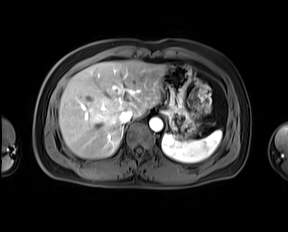 Abdominal MRI — axial view — 1st–99th percentile window — 288x232 px — Prisma scanner
<organs><organ name="spleen" x1="161" y1="130" x2="221" y2="162"/><organ name="liver" x1="59" y1="60" x2="167" y2="158"/><organ name="stomach" x1="163" y1="64" x2="197" y2="138"/><organ name="aorta" x1="149" y1="117" x2="162" y2="131"/><organ name="inferior vena cava" x1="120" y1="110" x2="132" y2="123"/></organs>